CT, abdomen/pelvis · axial plane, index 163 · abdomen soft-tissue window
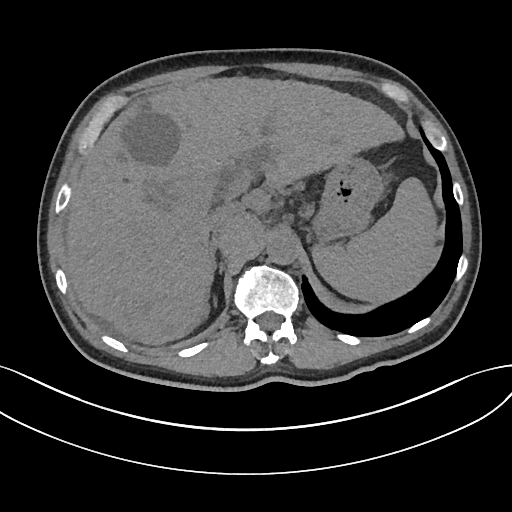
Bounding boxes as [x1, y1, x2, y2] in pixel coordinates.
spleen: [312, 179, 436, 301]
liver: [65, 77, 404, 345]
stomach: [312, 159, 382, 242]
aorta: [267, 235, 297, 265]
inferior vena cava: [208, 206, 235, 233]
right adrenal gland: [211, 239, 218, 271]